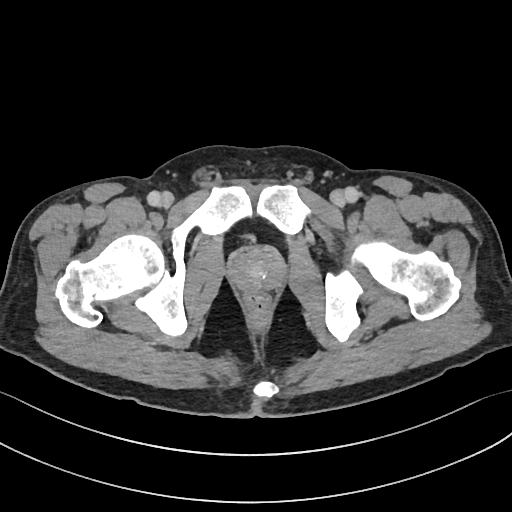 CT, abdomen/pelvis; axial view; 512x512 px
Boxes are (x1, y1, x2, y2) in pixels.
Organ bounding boxes:
- prostate/uterus: (230, 246, 281, 289)